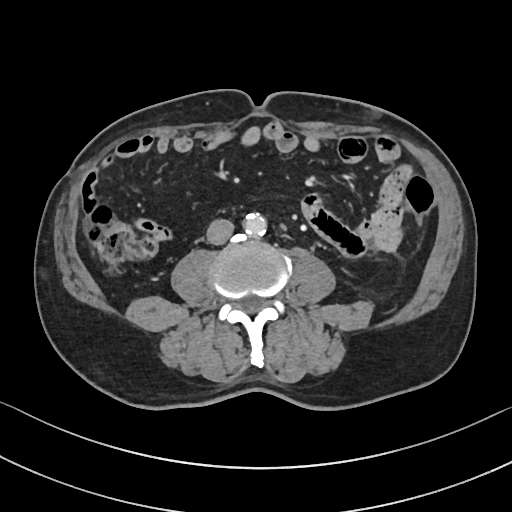 CT, abdomen/pelvis; axial plane, index 119; W/L 400/40 HU
<organs><organ name="aorta" x1="243" y1="213" x2="266" y2="235"/><organ name="inferior vena cava" x1="206" y1="219" x2="234" y2="244"/></organs>